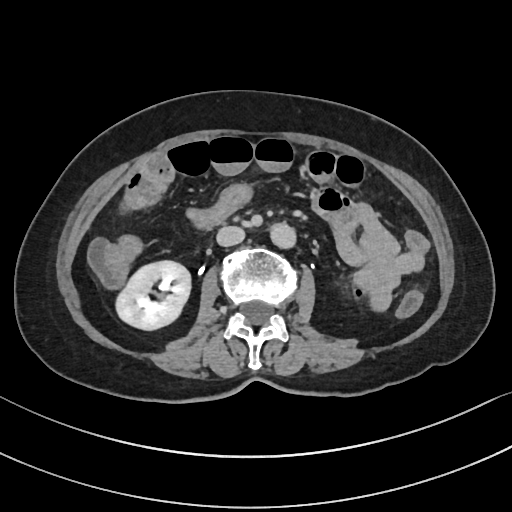 Abdominal CT. axial plane, index 122. 512x512 px. scan has 15 labeled organs (that count is for the whole scan; organs this slice misses have no box)
Organ boxes in pixel coordinates; each row gives the top-left (x1, y1) and bottom-right (x2, y2) corners.
| organ | x1 | y1 | x2 | y2 |
|---|---|---|---|---|
| right kidney | 114 | 260 | 191 | 330 |
| aorta | 272 | 224 | 297 | 249 |
| inferior vena cava | 216 | 226 | 245 | 246 |